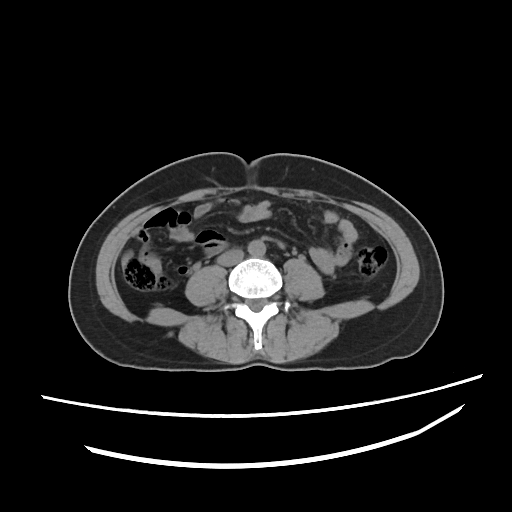
Computed tomography, abdomen — axial view
Coordinates as <box>x1,y1,x2,y2</box> in pixels.
aorta: <box>247,238,264,255</box>
inferior vena cava: <box>217,250,242,266</box>